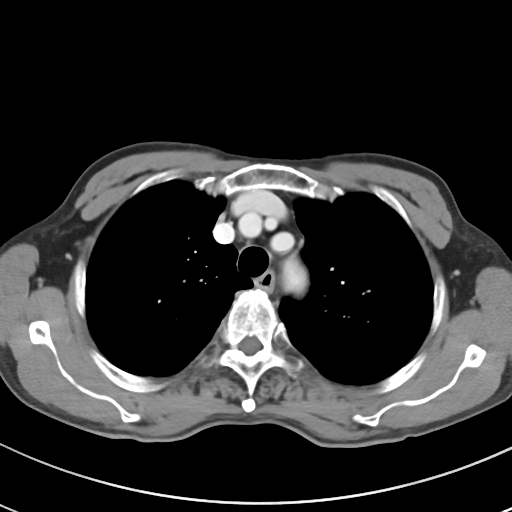

Chest-level CT slice, above the liver and spleen. Axial slice 107/122. soft-tissue window (W 400 / L 40). SOMATOM Force scanner
At this level of the chest no structure but the esophagus and the aorta has a label in this dataset, and those two are boxed only where they are labeled.
<organs><organ name="esophagus" x1="258" y1="272" x2="274" y2="289"/><organ name="aorta" x1="283" y1="258" x2="307" y2="293"/></organs>